CT of the abdomen extending into the chest, slice through the chest · axial view · 15 organs annotated in this scan (a whole-scan count: organs this slice does not pass through have no box)
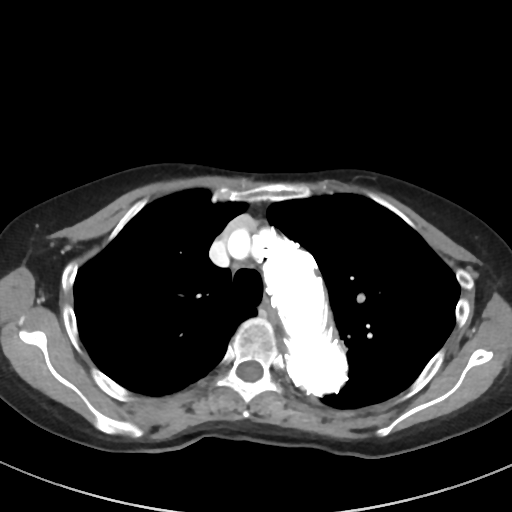
At this level of the chest no structure but the esophagus and the aorta has a label in this dataset, and those two are boxed only where they are labeled.
Box edges are left/top/right/bottom in pixels.
Organ bounding boxes:
- esophagus: left=264, top=299, right=275, bottom=320
- aorta: left=263, top=240, right=347, bottom=395